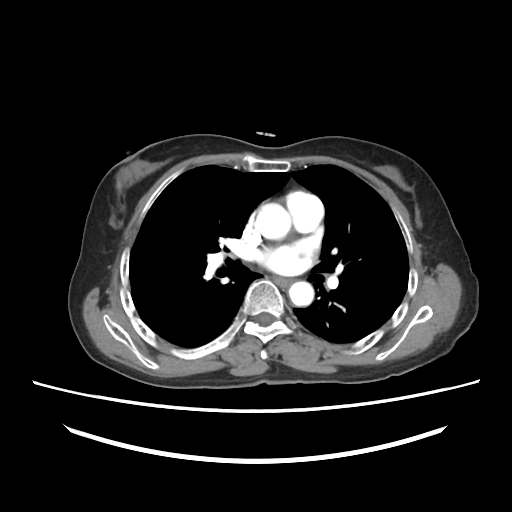

Lower-chest slice from an abdominal CT, just above the liver and spleen; axial view
The heart and lungs are never labeled in this dataset, so they have no box on this slice.
{"organs":{"aorta":[[254,203,291,239],[288,281,314,306]],"esophagus":[273,277,291,287]}}